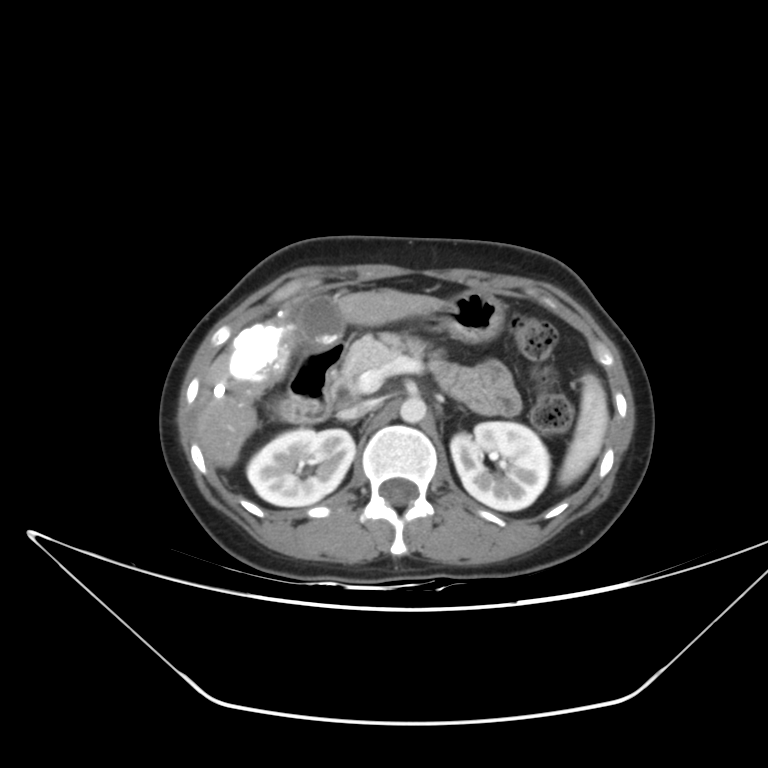

CT, abdomen/pelvis. axial view. soft-tissue window. 768x768 px
Bounding boxes as [x1, y1, x2, y2] in pixel coordinates.
Organ bounding boxes:
- left kidney: [450, 421, 549, 510]
- inferior vena cava: [341, 398, 379, 419]
- stomach: [422, 290, 503, 341]
- spleen: [559, 374, 608, 485]
- duodenum: [277, 340, 345, 423]
- aorta: [400, 396, 426, 423]
- right kidney: [246, 428, 355, 506]
- pancreas: [339, 332, 426, 395]
- gall bladder: [293, 294, 344, 345]
- liver: [196, 289, 441, 467]